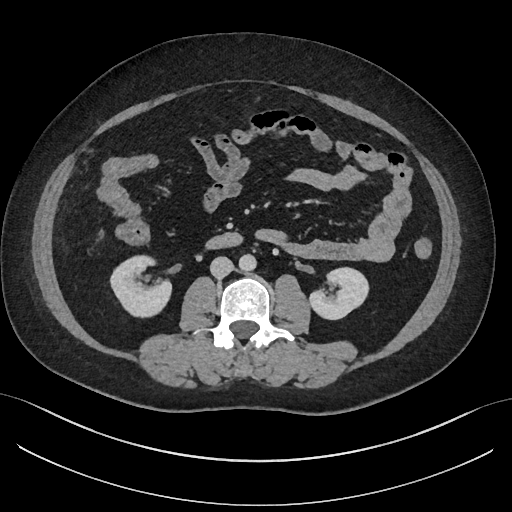

CT abdomen; axial view; W/L 400/40 HU
Boxes are (x1, y1, x2, y2) in pixels.
Organ bounding boxes:
- right kidney: (110, 256, 171, 315)
- left kidney: (310, 268, 366, 318)
- aorta: (239, 254, 256, 272)
- inferior vena cava: (210, 256, 233, 277)
- duodenum: (208, 233, 240, 248)